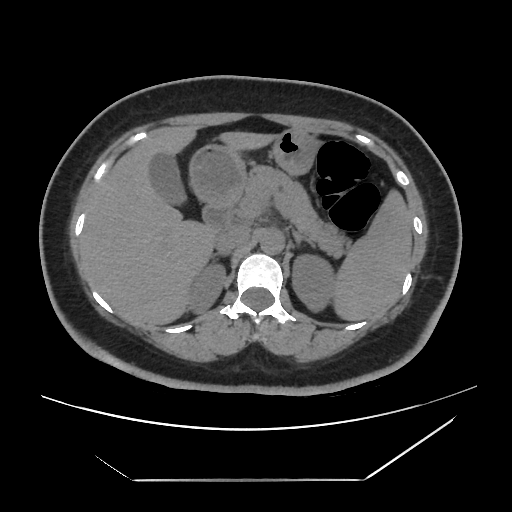
Computed tomography, abdomen · axial view · soft-tissue window · 512x512 px · 15 organs annotated in this scan (a whole-scan count: organs this slice does not pass through have no box)
<organs><organ name="aorta" x1="260" y1="229" x2="284" y2="253"/><organ name="right kidney" x1="185" y1="262" x2="225" y2="314"/><organ name="stomach" x1="189" y1="129" x2="316" y2="203"/><organ name="duodenum" x1="202" y1="202" x2="232" y2="236"/><organ name="right adrenal gland" x1="216" y1="252" x2="224" y2="257"/><organ name="liver" x1="81" y1="126" x2="273" y2="325"/><organ name="inferior vena cava" x1="215" y1="228" x2="250" y2="252"/><organ name="left kidney" x1="292" y1="253" x2="334" y2="311"/><organ name="gall bladder" x1="149" y1="151" x2="182" y2="202"/><organ name="left adrenal gland" x1="292" y1="230" x2="315" y2="247"/><organ name="spleen" x1="335" y1="191" x2="411" y2="320"/><organ name="pancreas" x1="235" y1="168" x2="350" y2="257"/></organs>